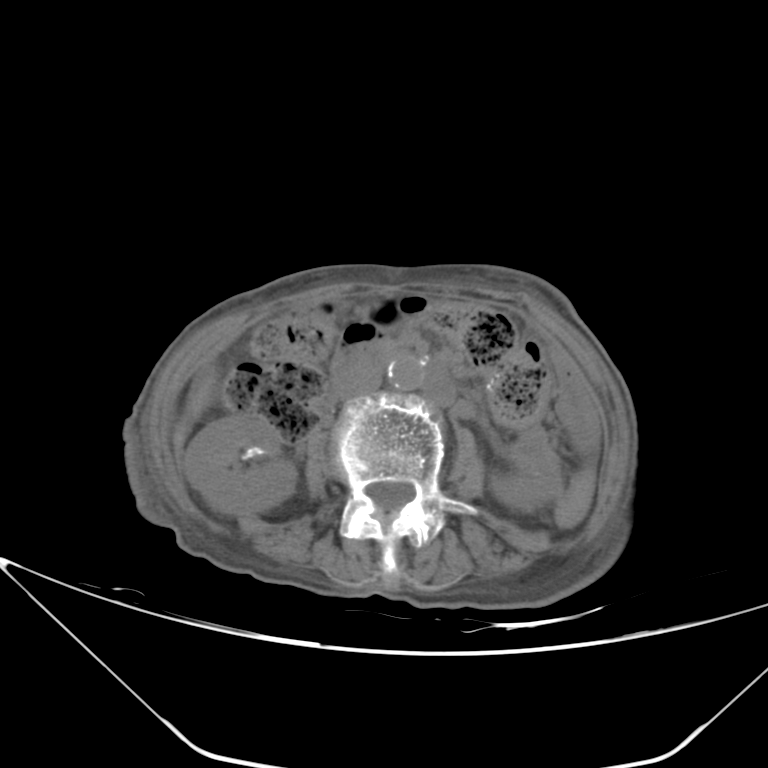

CT, abdomen/pelvis — axial plane, index 50 — abdomen soft-tissue window — 768x768 px — acquired on Brilliance16 — scan has 14 labeled organs (a whole-scan count: organs this slice does not pass through have no box)
{"organs":{"liver":[188,382,209,417],"inferior vena cava":[340,368,381,399],"duodenum":[325,341,413,401],"right kidney":[183,415,295,513],"aorta":[387,357,424,390],"left kidney":[491,474,545,511]}}